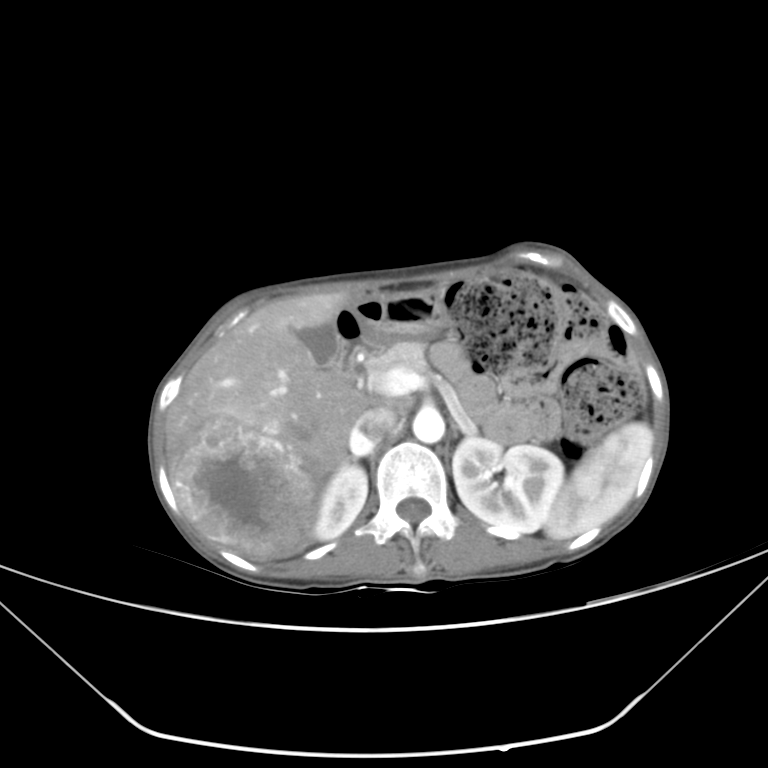 Computed tomography, abdomen. Axial slice 66/89. W/L 400/40 HU. 32-year-old female patient
<organs><organ name="spleen" x1="544" y1="422" x2="654" y2="539"/><organ name="right kidney" x1="311" y1="464" x2="367" y2="540"/><organ name="left kidney" x1="452" y1="437" x2="563" y2="535"/><organ name="gall bladder" x1="298" y1="323" x2="340" y2="368"/><organ name="liver" x1="166" y1="292" x2="365" y2="559"/><organ name="stomach" x1="336" y1="289" x2="447" y2="348"/><organ name="aorta" x1="412" y1="408" x2="444" y2="443"/><organ name="inferior vena cava" x1="348" y1="410" x2="395" y2="455"/><organ name="pancreas" x1="366" y1="341" x2="428" y2="374"/><organ name="right adrenal gland" x1="342" y1="456" x2="354" y2="463"/><organ name="duodenum" x1="330" y1="339" x2="364" y2="384"/></organs>